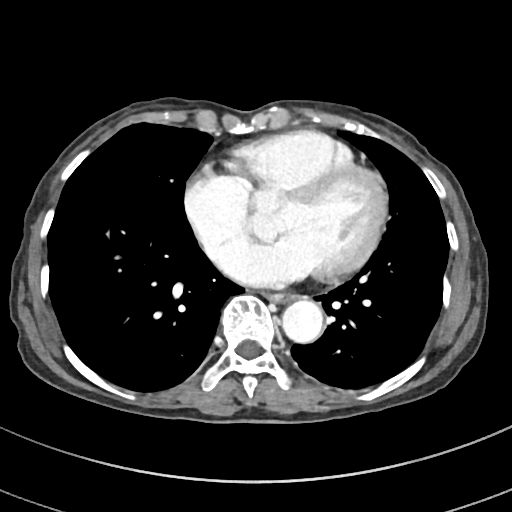

Abdominal CT; this slice is in the lower chest, just above the liver. axial view. 512x512 px
Of the structures in the chest, this dataset labels only the esophagus, the aorta and the inferior vena cava; the heart and lungs have no label.
Boxes are (x1, y1, x2, y2) in pixels.
Organ bounding boxes:
- esophagus: (269, 293, 291, 303)
- aorta: (282, 300, 322, 344)